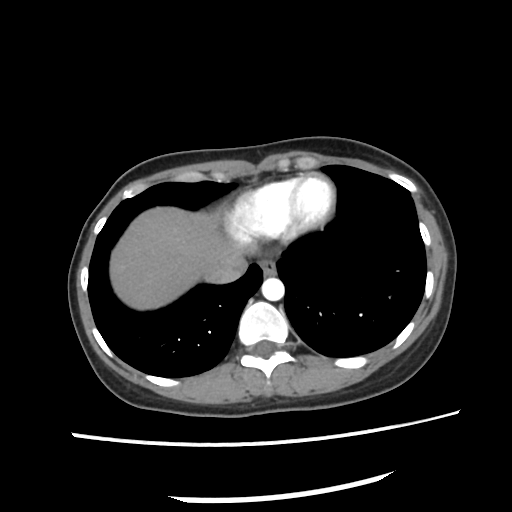
Abdominal CT — Axial slice 82/124
Bounding boxes as [x1, y1, x2, y2] in pixel coordinates.
Organ bounding boxes:
- esophagus: [260, 256, 276, 277]
- liver: [111, 207, 249, 309]
- aorta: [260, 278, 285, 300]
- inferior vena cava: [207, 269, 240, 283]